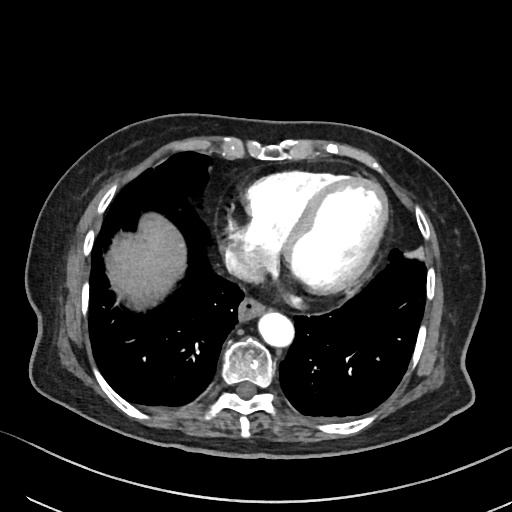
CT abdomen · axial plane, index 211 · scan has 15 labeled organs (that count is for the whole scan; organs this slice misses have no box)
Bounding boxes as [x1, y1, x2, y2] in pixel coordinates.
liver: [107, 216, 186, 314]
inferior vena cava: [225, 242, 262, 280]
aorta: [257, 311, 295, 347]
esophagus: [239, 298, 265, 319]